CT, abdomen/pelvis. axial view. soft-tissue window (W 400 / L 40). 15 organs annotated in this scan (a whole-scan count: organs this slice does not pass through have no box)
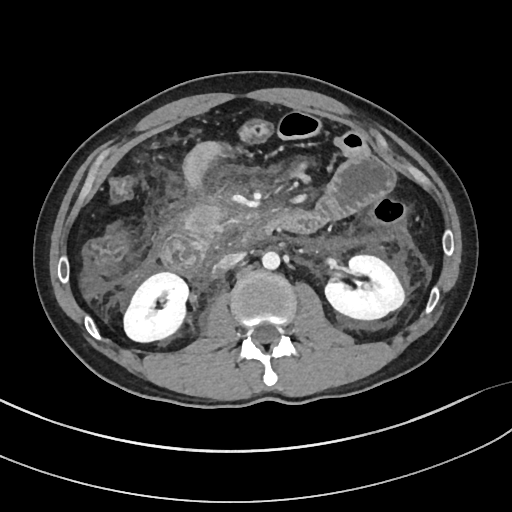

Boxes: x1:y1:x2:y2 in pixels.
Organ bounding boxes:
- inferior vena cava: 216:252:244:270
- right kidney: 123:272:188:341
- duodenum: 161:225:265:280
- aorta: 262:251:279:269
- pancreas: 177:203:227:244
- left kidney: 325:255:404:319